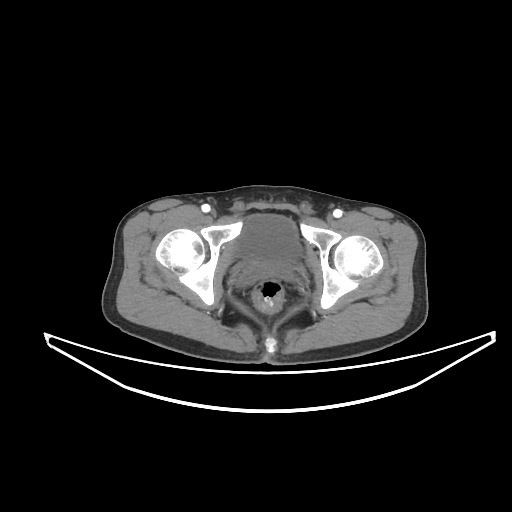
Abdominal CT · axial view · 52-year-old male patient · acquired on Aquilion ONE · 15 organs annotated in this scan (a whole-scan count: organs this slice does not pass through have no box)
Boxes are (x1, y1, x2, y2) in pixels. The annotated organs in this slice are: bladder at (237, 214, 301, 263), prostate/uterus at (262, 263, 270, 266).